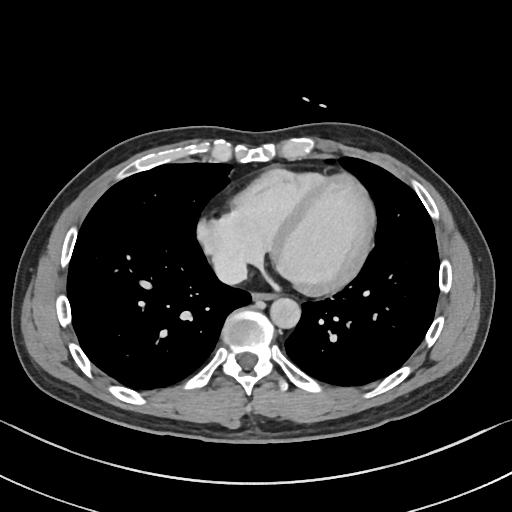

Abdominal CT; this slice is in the lower chest, just above the liver. axial view. soft-tissue window. 512x512 px
Of the structures in the chest, this dataset labels only the esophagus, the aorta and the inferior vena cava; the heart and lungs have no label.
Bounding boxes in pixels, one row per box: x1, y1 is the top-left corner and x2, y2 the bottom-right.
| organ | x1 | y1 | x2 | y2 |
|---|---|---|---|---|
| esophagus | 253 | 291 | 276 | 298 |
| aorta | 270 | 297 | 300 | 328 |
| inferior vena cava | 213 | 254 | 247 | 285 |